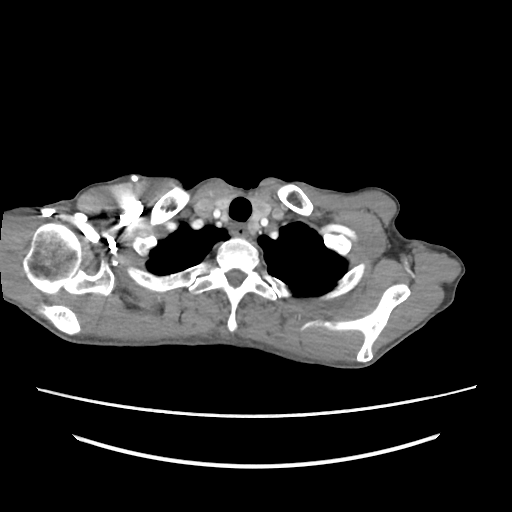
Chest-level CT slice, above the liver and spleen — axial plane, index 121 — 62-year-old male patient
At this level of the chest no structure but the esophagus and the aorta has a label in this dataset, and those two are boxed only where they are labeled.
Bounding boxes as [x1, y1, x2, y2] in pixel coordinates.
Organ bounding boxes:
- esophagus: [232, 226, 248, 238]